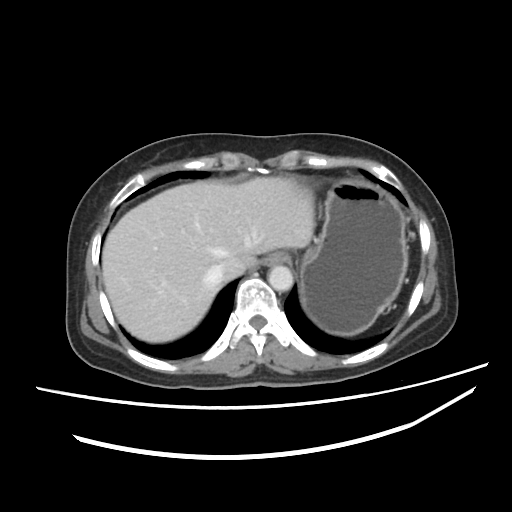

Abdominal CT; axial view
<organs><organ name="esophagus" x1="263" y1="252" x2="289" y2="266"/><organ name="liver" x1="102" y1="177" x2="315" y2="342"/><organ name="stomach" x1="300" y1="180" x2="408" y2="335"/><organ name="aorta" x1="268" y1="265" x2="292" y2="291"/><organ name="inferior vena cava" x1="211" y1="257" x2="246" y2="281"/></organs>